CT of the abdomen extending into the chest, slice through the chest; axial view
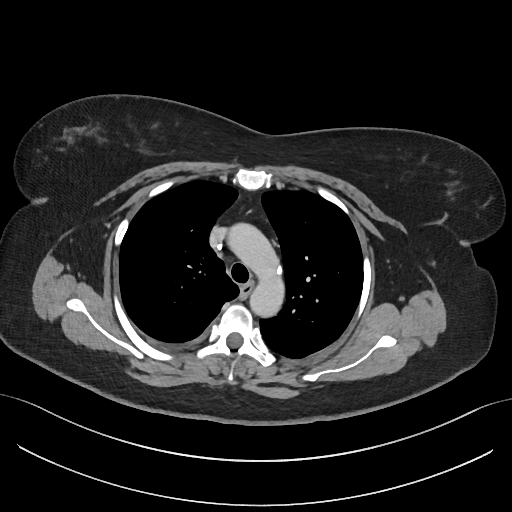
On a slice this high in the chest, this dataset labels only the esophagus and the aorta, and each is boxed only where it is labeled; the heart, lungs and other chest structures are not labeled.
<organs><organ name="esophagus" x1="241" y1="283" x2="251" y2="295"/><organ name="aorta" x1="227" y1="223" x2="284" y2="317"/></organs>